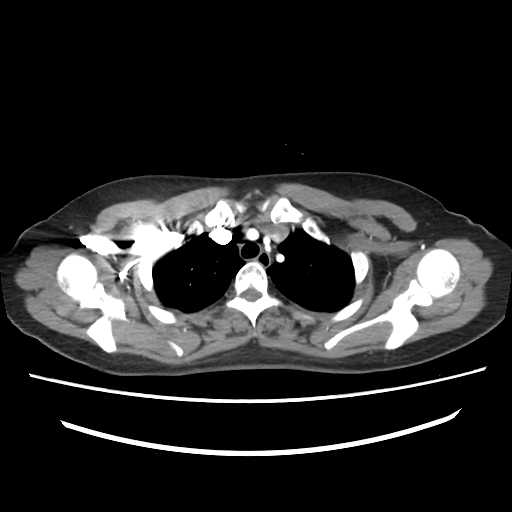
CT of the abdomen extending into the chest, slice through the chest · axial view · soft-tissue window
At this level of the chest no structure but the esophagus and the aorta has a label in this dataset, and those two are boxed only where they are labeled.
Coordinates as <box>x1,y1,x2,y2</box> in pixels.
Organ bounding boxes:
- esophagus: <box>255,252,271,267</box>